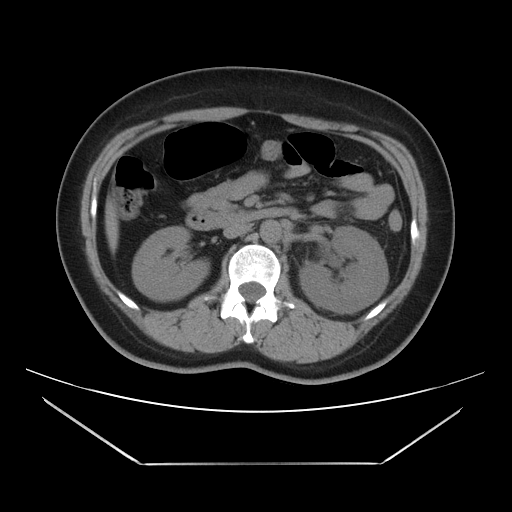

Computed tomography, abdomen; axial view; soft-tissue window (W 400 / L 40); 512x512 px; SOMATOM Force scanner
Organ boxes in pixel coordinates; each row gives the top-left (x1, y1) and bottom-right (x2, y2) corners.
| organ | x1 | y1 | x2 | y2 |
|---|---|---|---|---|
| aorta | 260 | 220 | 281 | 243 |
| left kidney | 299 | 226 | 388 | 313 |
| liver | 105 | 197 | 118 | 253 |
| duodenum | 186 | 207 | 293 | 230 |
| right kidney | 132 | 226 | 209 | 300 |
| pancreas | 219 | 204 | 235 | 213 |
| inferior vena cava | 223 | 223 | 251 | 238 |